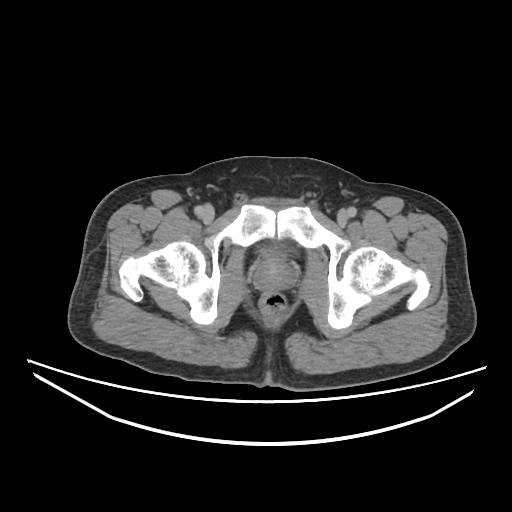
CT abdomen · axial view · 512x512 px · Aquilion ONE scanner · scan has 15 labeled organs (that count is for the whole scan; organs this slice misses have no box)
{"organs":{"bladder":[260,246,281,256],"prostate/uterus":[251,258,296,291]}}